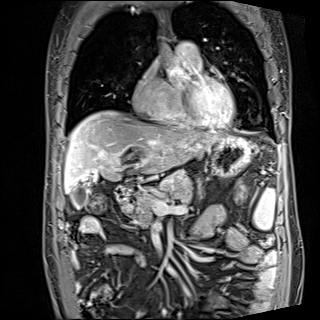
Abdominal MRI · Coronal slice 42/60 · scan has 13 labeled organs (a whole-scan count: organs this slice does not pass through have no box)
{"organs":{"spleen":[253,188,275,230],"gall bladder":[70,185,87,208],"liver":[65,111,220,191],"stomach":[211,135,251,176],"aorta":[158,39,169,51],"pancreas":[124,170,192,226],"duodenum":[115,186,136,204]}}